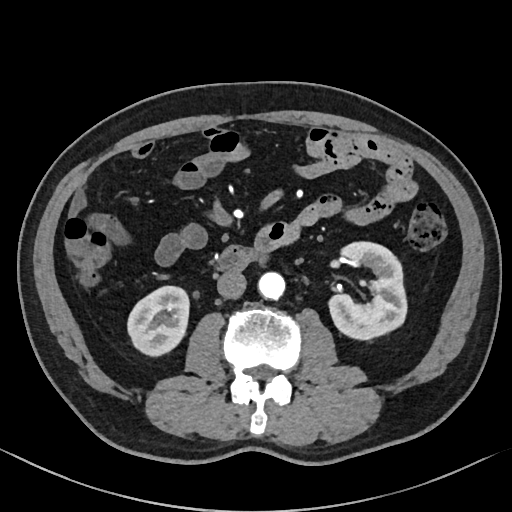

CT abdomen; axial plane, index 122
{"organs":{"right kidney":[126,285,190,357],"left kidney":[327,241,405,341],"aorta":[259,272,285,300],"inferior vena cava":[217,270,246,298],"duodenum":[212,245,271,271]}}